CT abdomen — axial plane, index 38 — soft-tissue window
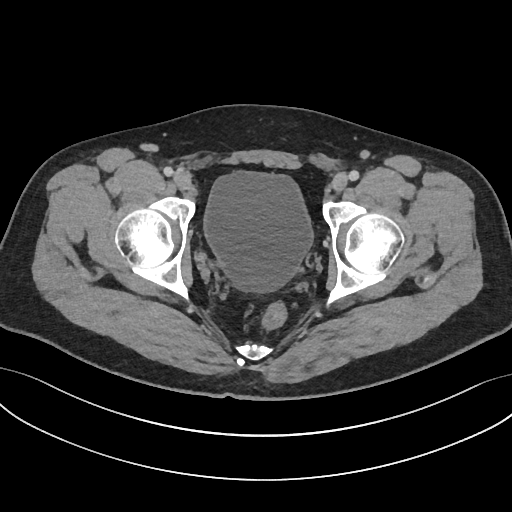

<organs><organ name="bladder" x1="204" y1="172" x2="312" y2="292"/></organs>